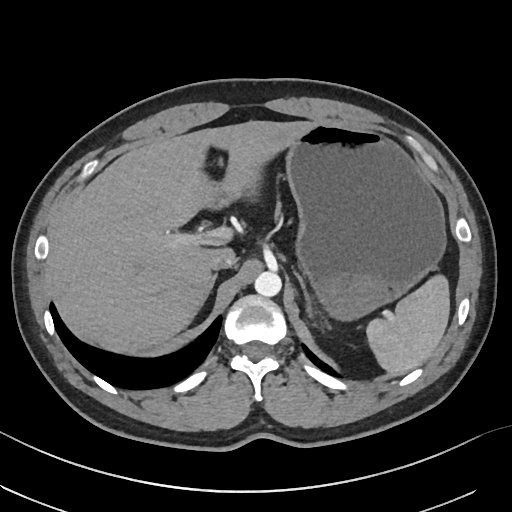 Abdominal CT · Axial slice 172/307 · soft-tissue window (W 400 / L 40)
Each box given as x1,y1,x2,y2.
spleen: x1=367, y1=275, x2=449, y2=375
liver: x1=56, y1=120, x2=312, y2=353
stomach: x1=209, y1=123, x2=445, y2=320
aorta: x1=254, y1=269, x2=281, y2=296
inferior vena cava: x1=208, y1=253, x2=236, y2=270
right adrenal gland: x1=202, y1=273, x2=216, y2=307
left adrenal gland: x1=294, y1=269, x2=313, y2=320
duodenum: x1=203, y1=185, x2=225, y2=208